Computed tomography, abdomen. axial view. abdomen soft-tissue window. 57-year-old female patient. Aquilion ONE scanner. 15 organs annotated in this scan (that count is for the whole scan; organs this slice misses have no box)
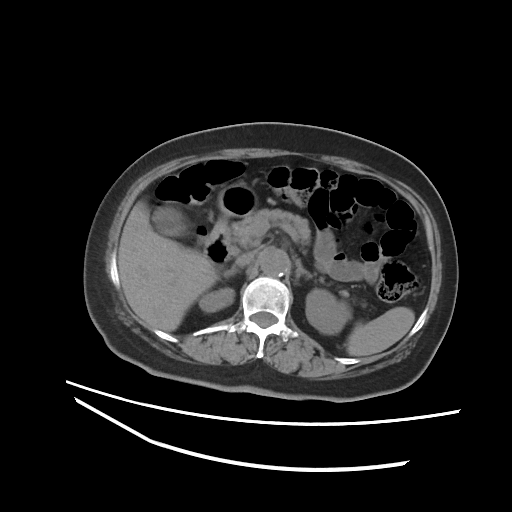 {"organs":{"left adrenal gland":[295,259,312,278],"left kidney":[306,289,348,334],"pancreas":[232,209,348,296],"gall bladder":[152,207,188,236],"inferior vena cava":[235,250,256,266],"right kidney":[199,288,234,312],"stomach":[218,183,257,216],"duodenum":[204,216,230,265],"liver":[118,201,218,331],"aorta":[259,248,289,276],"right adrenal gland":[224,267,242,277],"spleen":[346,307,414,356]}}